Computed tomography, abdomen · Axial slice 81/90 · 512x512 px · scan has 15 labeled organs (that count is for the whole scan; organs this slice misses have no box)
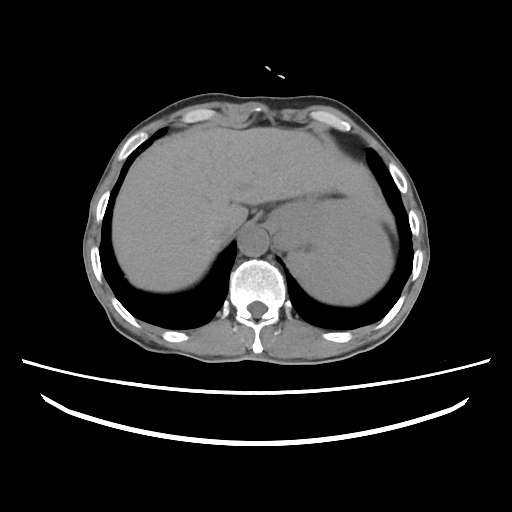

Coordinates as <box>x1,y1,x2,y2</box> in pixels.
Organ bounding boxes:
- spleen: <box>285,197,392,305</box>
- liver: <box>112,127,395,291</box>
- stomach: <box>267,195,329,249</box>
- aorta: <box>237,226,268,256</box>
- inferior vena cava: <box>218,225,239,241</box>